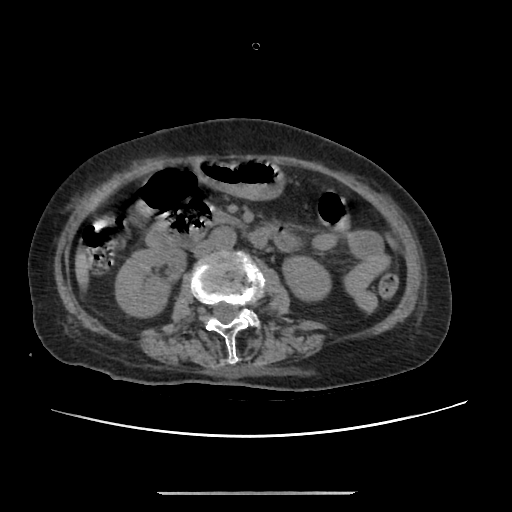

Abdominal CT; axial view; soft-tissue window; 512x512 px; 14 organs annotated in this scan (that count is for the whole scan; organs this slice misses have no box)
Coordinates as <box>x1,y1,x2,y2</box> in pixels.
Organ bounding boxes:
- right kidney: <box>115,244,187,315</box>
- left kidney: <box>284,256,329,300</box>
- stomach: <box>199,156,282,198</box>
- aorta: <box>212,226,236,248</box>
- inferior vena cava: <box>194,239,215,256</box>
- pancreas: <box>216,211,240,224</box>
- duodenum: <box>146,198,277,248</box>